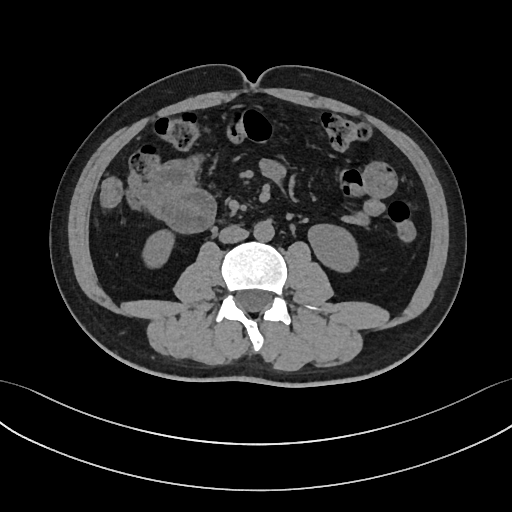

CT, abdomen/pelvis; axial view; abdomen soft-tissue window
<organs><organ name="left kidney" x1="308" y1="225" x2="358" y2="271"/><organ name="inferior vena cava" x1="219" y1="225" x2="248" y2="242"/><organ name="aorta" x1="253" y1="220" x2="274" y2="241"/><organ name="right kidney" x1="145" y1="231" x2="174" y2="267"/></organs>